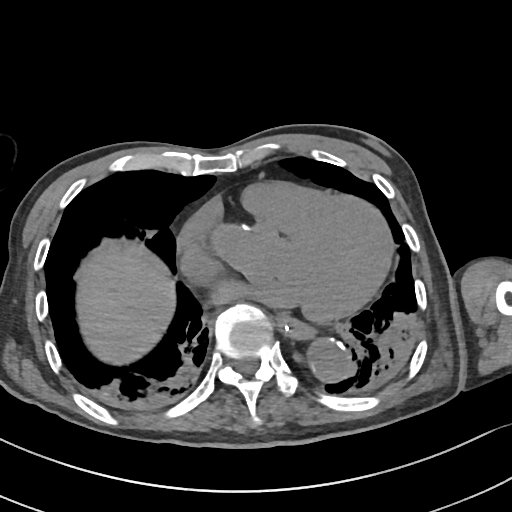
CT, abdomen/pelvis — axial view — W/L 400/40 HU — 512x512 px — 15 organs annotated in this scan (counted over the whole 3D scan, not this slice; an organ is boxed only where this slice passes through it)
{"organs":{"esophagus":[277,314,314,337],"liver":[76,252,175,364],"aorta":[308,340,350,380]}}